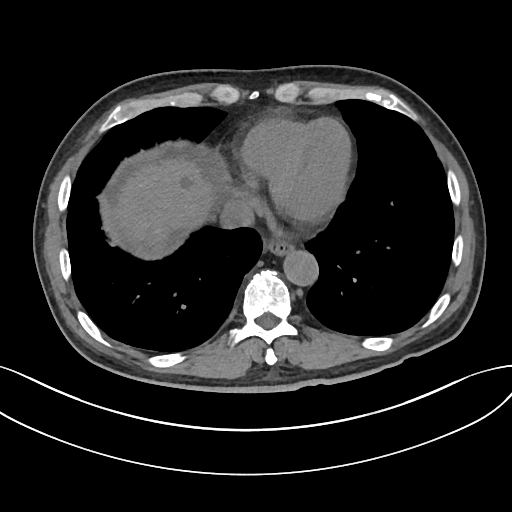 Computed tomography, abdomen. axial plane, index 201. scan has 15 labeled organs (a whole-scan count: organs this slice does not pass through have no box)
Each box given as x1,y1,x2,y2.
Organ bounding boxes:
- aorta: x1=283, y1=251, x2=318, y2=285
- esophagus: x1=269, y1=242, x2=294, y2=255
- inferior vena cava: x1=220, y1=197, x2=254, y2=229
- liver: x1=112, y1=151, x2=230, y2=259